Abdominal CT; axial plane, index 58; 768x768 px
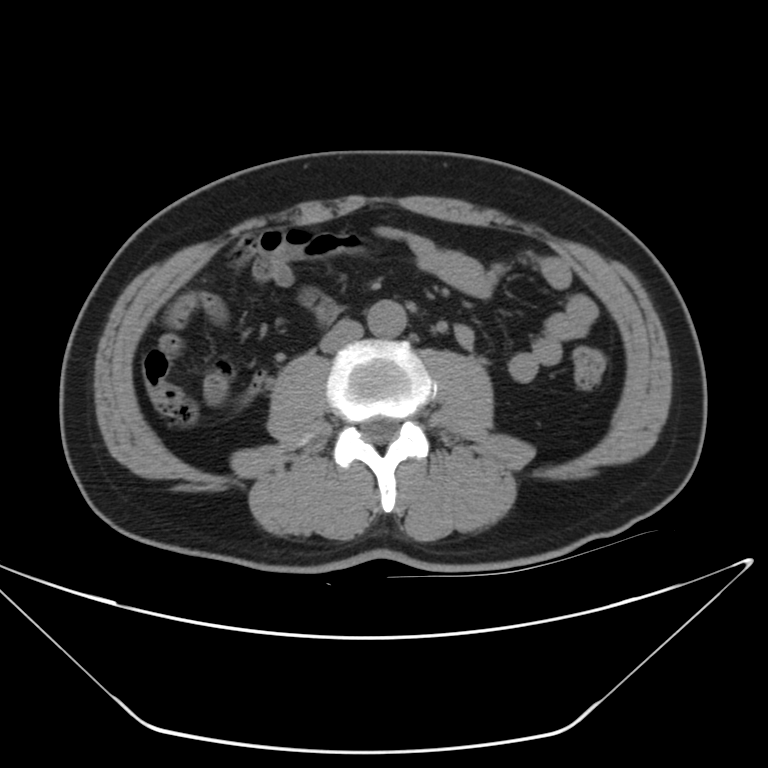
Coordinates as <box>x1,y1,x2,y2</box> in pixels. The annotated organs in this slice are: inferior vena cava at <box>317,320,363,348</box>, aorta at <box>369,300,405,333</box>.